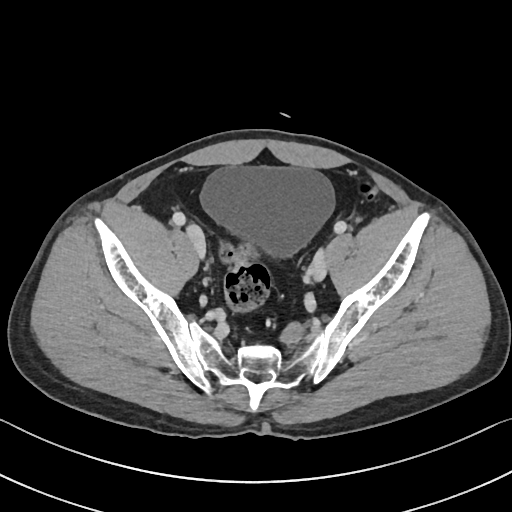
Computed tomography, abdomen. Axial slice 48/291. 512x512 px. scan has 15 labeled organs (a whole-scan count: organs this slice does not pass through have no box)
Boxes are (x1, y1, x2, y2) in pixels. 1 labeled organ on this slice — bladder at (199, 166, 335, 259).